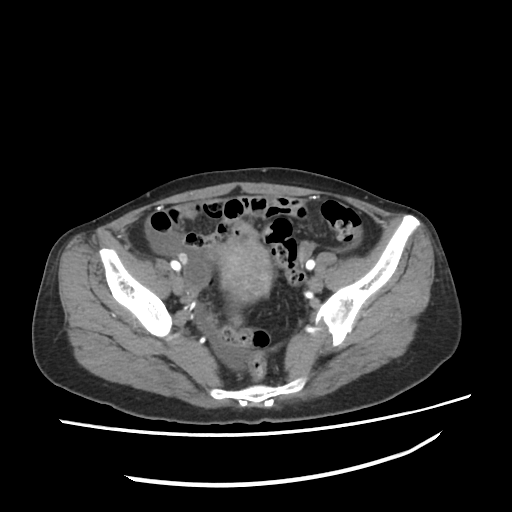

Abdominal CT · Axial slice 19/78 · 512x512 px · Aquilion ONE scanner
<organs><organ name="prostate/uterus" x1="219" y1="241" x2="270" y2="299"/></organs>